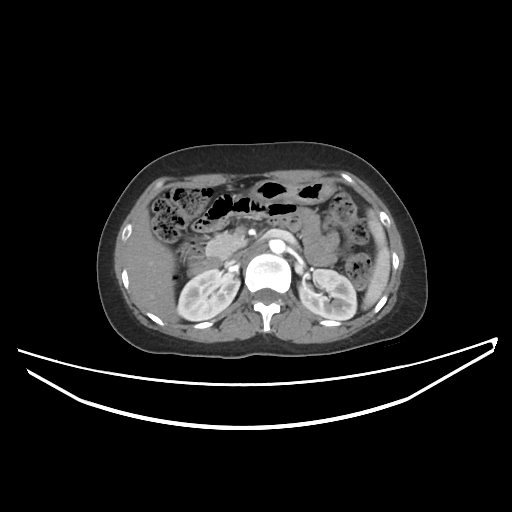
Computed tomography, abdomen; axial view; soft-tissue window (W 400 / L 40); 512x512 px
Bounding boxes in pixels, one row per box: x1, y1 is the top-left corner and x2, y2 the bottom-right.
| organ | x1 | y1 | x2 | y2 |
|---|---|---|---|---|
| spleen | 362 | 209 | 390 | 309 |
| right kidney | 177 | 269 | 239 | 320 |
| left kidney | 299 | 269 | 356 | 320 |
| liver | 126 | 210 | 178 | 323 |
| stomach | 250 | 179 | 334 | 204 |
| aorta | 270 | 239 | 285 | 253 |
| inferior vena cava | 233 | 251 | 243 | 259 |
| pancreas | 206 | 232 | 246 | 259 |
| duodenum | 187 | 257 | 222 | 275 |